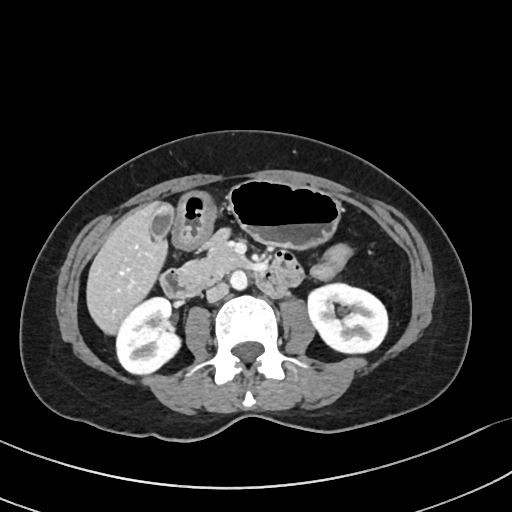

CT, abdomen/pelvis — axial view — soft-tissue window (W 400 / L 40)
<organs><organ name="right kidney" x1="117" y1="298" x2="180" y2="375"/><organ name="left kidney" x1="307" y1="282" x2="388" y2="354"/><organ name="gall bladder" x1="150" y1="203" x2="175" y2="238"/><organ name="liver" x1="85" y1="199" x2="168" y2="334"/><organ name="stomach" x1="174" y1="179" x2="343" y2="251"/><organ name="aorta" x1="230" y1="272" x2="248" y2="290"/><organ name="inferior vena cava" x1="206" y1="283" x2="228" y2="302"/><organ name="pancreas" x1="180" y1="231" x2="243" y2="287"/><organ name="duodenum" x1="161" y1="251" x2="303" y2="299"/></organs>